Abdominal CT; axial view; 768x768 px
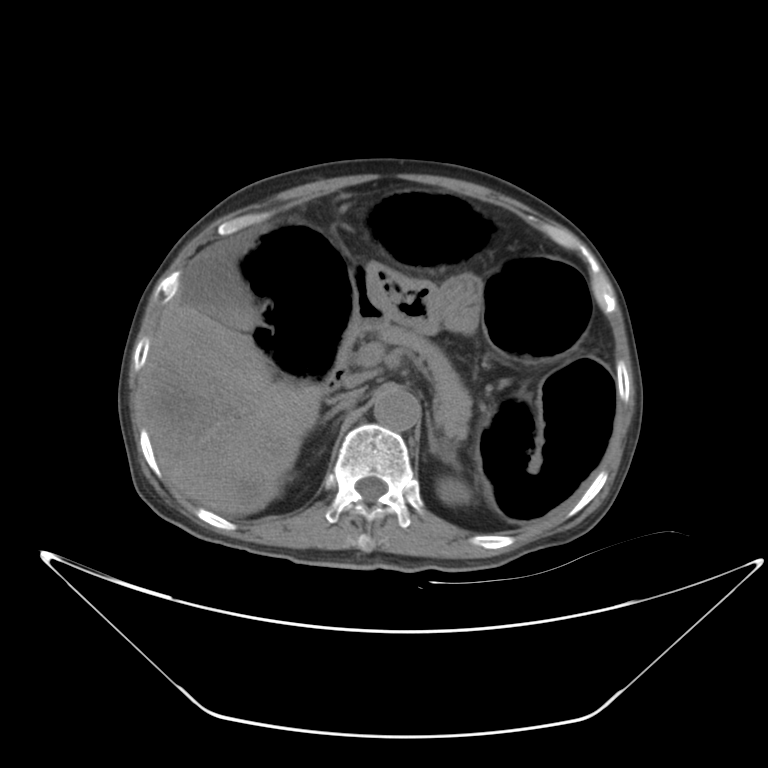
{"organs":{"aorta":[373,387,419,430],"pancreas":[373,322,471,442],"inferior vena cava":[331,388,364,406],"gall bladder":[182,254,258,330],"stomach":[363,262,484,334],"duodenum":[323,268,382,391],"right adrenal gland":[318,403,351,434],"left kidney":[436,476,471,504],"liver":[139,287,324,516],"left adrenal gland":[427,417,456,465]}}